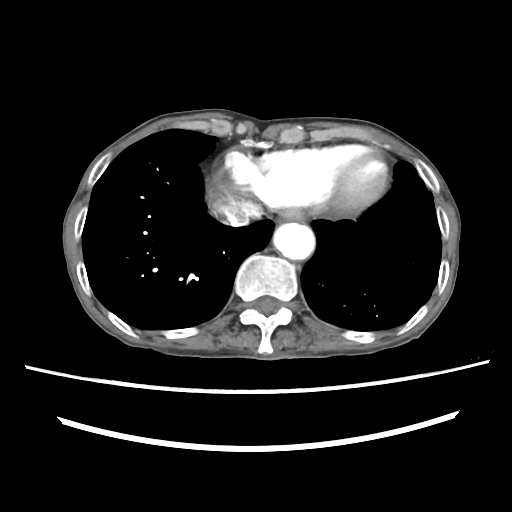 Abdominal CT; this slice is in the lower chest, just above the liver; Axial slice 74/120; soft-tissue window
Of the structures in the chest, this dataset labels only the esophagus, the aorta and the inferior vena cava; the heart and lungs have no label.
Coordinates as <box>x1,y1,x2,y2</box> in pixels.
esophagus: <box>278,209,302,220</box>
inferior vena cava: <box>213,200,262,226</box>
aorta: <box>273,222,315,259</box>